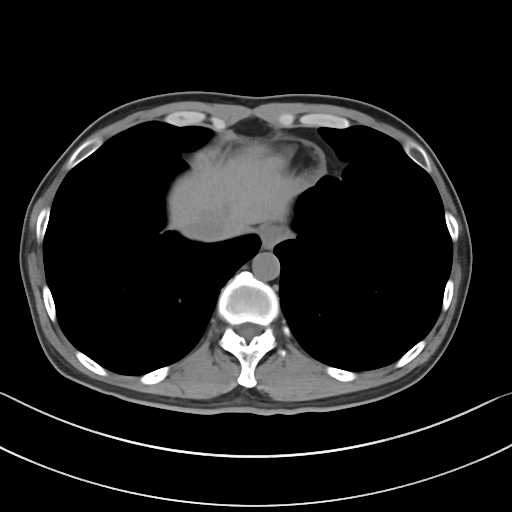
CT, abdomen/pelvis. axial view. W/L 400/40 HU. 15 organs annotated in this scan (counted over the whole 3D scan, not this slice; an organ is boxed only where this slice passes through it)
Boxes: x1:y1:x2:y2 in pixels.
esophagus: 260:224:284:248
liver: 169:144:300:237
aorta: 252:252:279:280
inferior vena cava: 187:213:228:241